Abdominal CT · axial view · acquired on SOMATOM Force · 15 organs annotated in this scan (a whole-scan count: organs this slice does not pass through have no box)
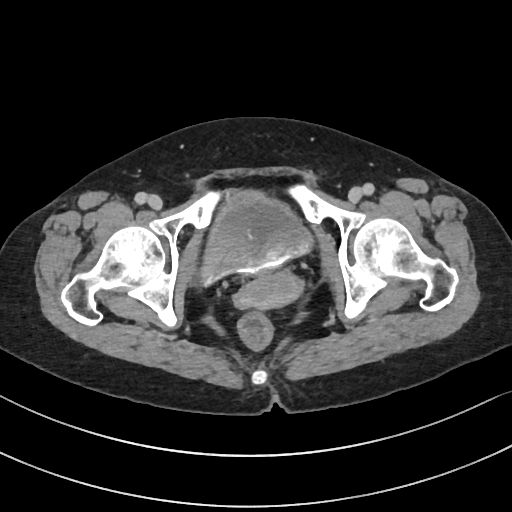

Boxes: x1:y1:x2:y2 in pixels.
bladder: 201:191:314:286
prostate/uterus: 236:272:303:310